Abdominal CT. axial view
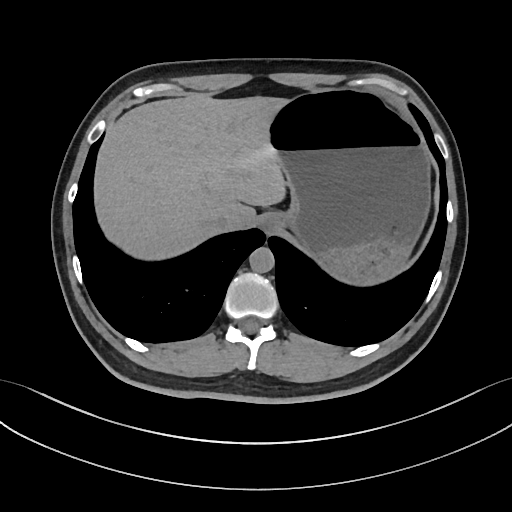

Boxes are (x1, y1, x2, y2) in pixels. The annotated organs in this slice are: esophagus at (258, 211, 283, 233), liver at (94, 94, 290, 260), stomach at (271, 90, 429, 283), aorta at (249, 247, 274, 272), inferior vena cava at (212, 216, 227, 229).